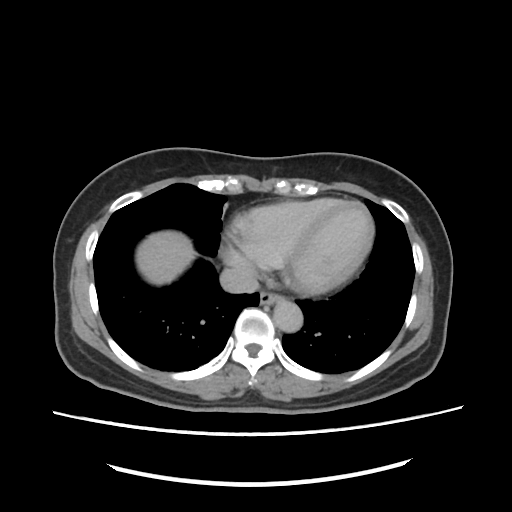 CT, abdomen/pelvis; Axial slice 83/85; abdomen soft-tissue window; 512x512 px; 50-year-old female patient; Aquilion ONE scanner
Bounding boxes as [x1, y1, x2, y2] in pixel coordinates.
esophagus: [260, 290, 281, 306]
liver: [136, 230, 211, 285]
aorta: [274, 298, 304, 333]
inferior vena cava: [220, 267, 257, 293]